CT, abdomen/pelvis · Axial slice 133/163 · soft-tissue window (W 400 / L 40)
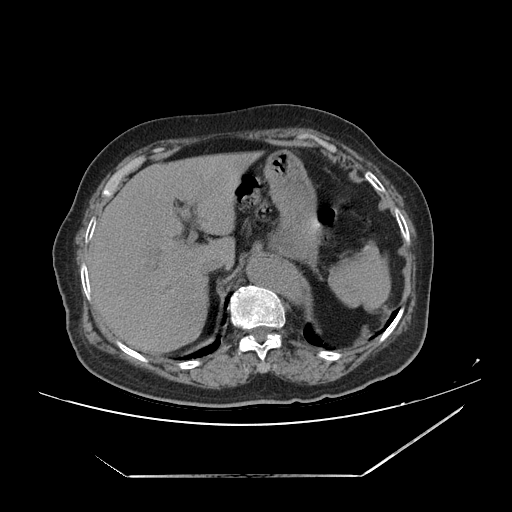

{"organs":{"spleen":[328,244,390,311],"liver":[88,151,263,354],"stomach":[263,149,321,264],"aorta":[246,257,299,299],"inferior vena cava":[200,256,228,273]}}